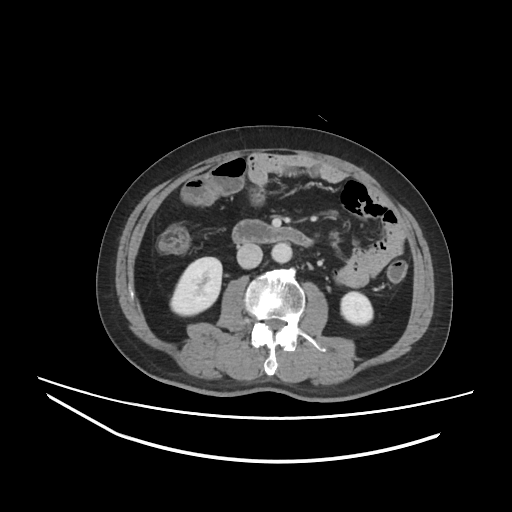
CT abdomen; axial view; W/L 400/40 HU; 512x512 px; scan has 15 labeled organs (that count is for the whole scan; organs this slice misses have no box)
Bounding boxes as [x1, y1, x2, y2] in pixel coordinates.
right kidney: [170, 257, 222, 315]
left kidney: [341, 292, 372, 324]
aorta: [271, 242, 292, 263]
inferior vena cava: [236, 243, 262, 268]
duodenum: [232, 220, 313, 246]